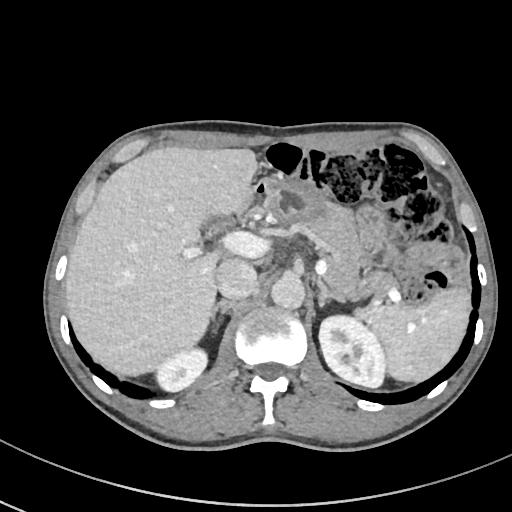 Computed tomography, abdomen — Axial slice 162/306 — soft-tissue window (W 400 / L 40) — acquired on SOMATOM Force — scan has 15 labeled organs (a whole-scan count: organs this slice does not pass through have no box)
Each box given as x1,y1,x2,y2. Labeled organs on this slice: pancreas at x1=304, y1=205, x2=392, y2=296, liver at x1=65, y1=146, x2=257, y2=376, left adrenal gland at x1=317, y1=279, x2=344, y2=307, aorta at x1=271, y1=275, x2=305, y2=309, right adrenal gland at x1=210, y1=300, x2=235, y2=332, duodenum at x1=236, y1=180, x2=266, y2=222, left kidney at x1=319, y1=315, x2=385, y2=387, right kidney at x1=156, y1=348, x2=206, y2=391, stomach at x1=262, y1=179, x2=334, y2=225, spleen at x1=356, y1=288, x2=469, y2=381, inferior vena cava at x1=215, y1=258, x2=257, y2=299.